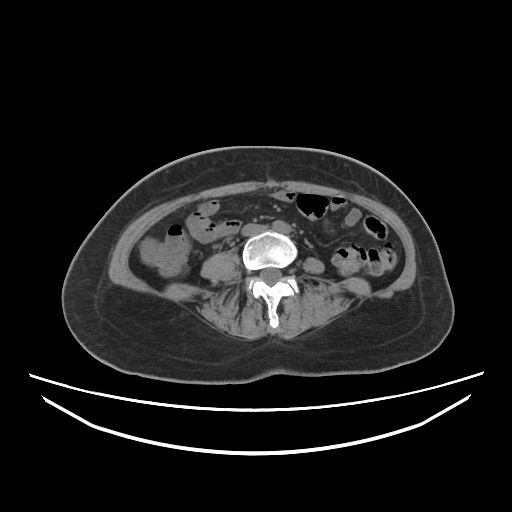

Abdominal CT · Axial slice 49/97 · abdomen soft-tissue window · 512x512 px
<organs><organ name="inferior vena cava" x1="241" y1="223" x2="267" y2="236"/></organs>